CT abdomen; axial view; 512x512 px; 52-year-old female patient
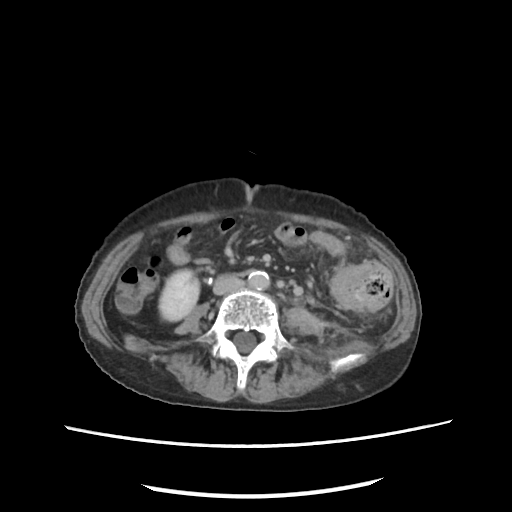
{"organs":{"right kidney":[159,269,199,321],"aorta":[248,270,269,290],"inferior vena cava":[214,276,242,294]}}